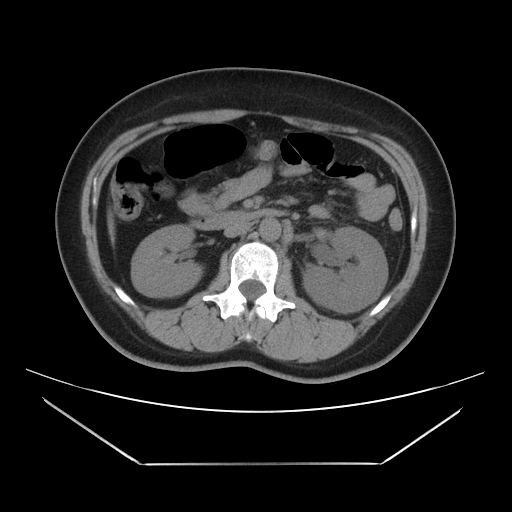 Computed tomography, abdomen · axial view · 512x512 px
Coordinates as <box>x1,y1,x2,y2</box> in pixels. The annotated organs in this slice are: right kidney at <box>131,224,202,297</box>, left kidney at <box>303,227,388,313</box>, liver at <box>107,211,115,242</box>, aorta at <box>259,218,281,240</box>, inferior vena cava at <box>224,223,251,237</box>, duodenum at <box>191,208,285,230</box>.